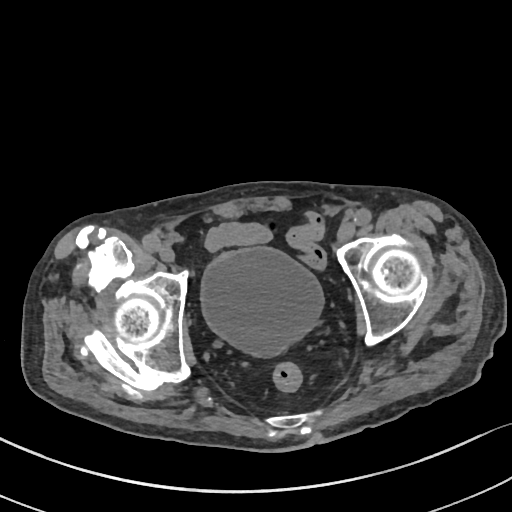 CT abdomen — Axial slice 33/208 — W/L 400/40 HU — 512x512 px — acquired on SOMATOM Force
Boxes: x1:y1:x2:y2 in pixels. Labeled organs on this slice: bladder at 201:246:322:354.